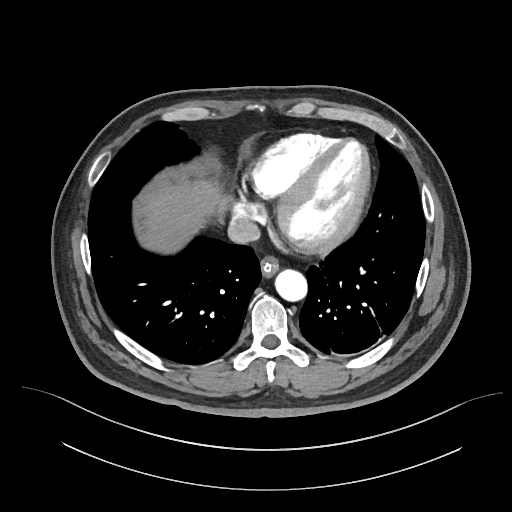
Computed tomography, abdomen. axial view. acquired on SOMATOM Force
Coordinates as <box>x1,y1,x2,y2</box> in pixels.
Organ bounding boxes:
- esophagus: <box>260,254,279,276</box>
- liver: <box>132,171,225,250</box>
- aorta: <box>274,269,306,300</box>
- inferior vena cava: <box>227,216,259,244</box>